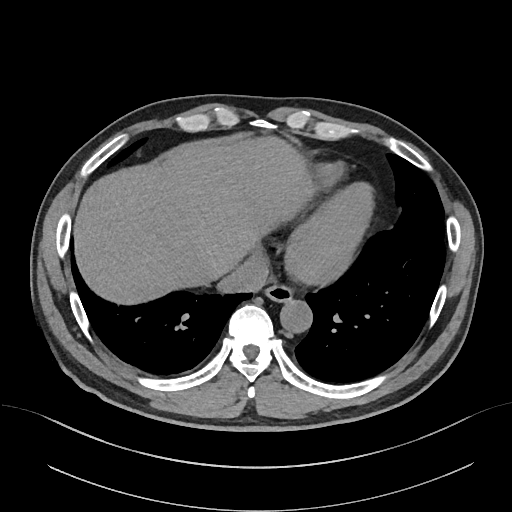

Abdominal CT; axial view; W/L 400/40 HU; 512x512 px; acquired on SOMATOM Force
{"organs":{"esophagus":[265,283,294,301],"liver":[72,137,313,305],"aorta":[280,300,312,332],"inferior vena cava":[218,256,268,293]}}